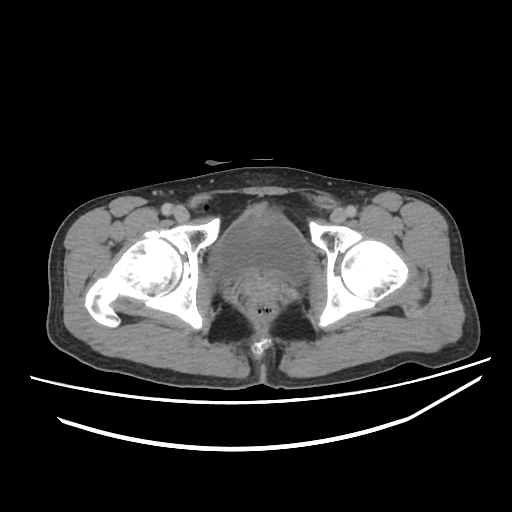
CT, abdomen/pelvis · axial view · soft-tissue window · 58-year-old male patient
Boxes: x1:y1:x2:y2 in pixels.
prostate/uterus: 241:272:280:301
bladder: 210:209:310:282